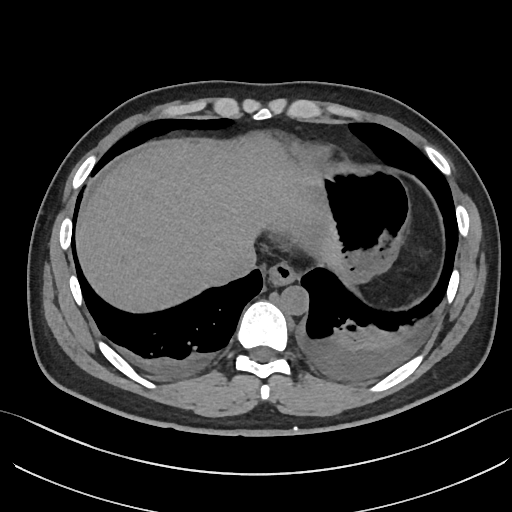

Abdominal CT; axial view; 512x512 px; SOMATOM Force scanner
Boxes: x1:y1:x2:y2 in pixels. 5 labeled organs on this slice — inferior vena cava at 222:250:255:284; liver at 74:133:339:313; stomach at 286:143:413:285; aorta at 279:285:308:314; esophagus at 265:264:295:285.